Abdominal CT — Axial slice 132/218 — 512x512 px — SOMATOM Force scanner
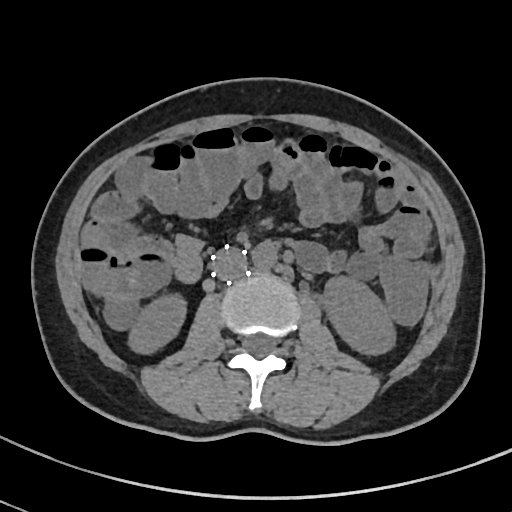

Boxes are (x1, y1, x2, y2) in pixels.
Organ bounding boxes:
- right kidney: (128, 294, 185, 353)
- left kidney: (322, 276, 395, 354)
- aorta: (251, 242, 277, 270)
- inferior vena cava: (212, 248, 246, 281)